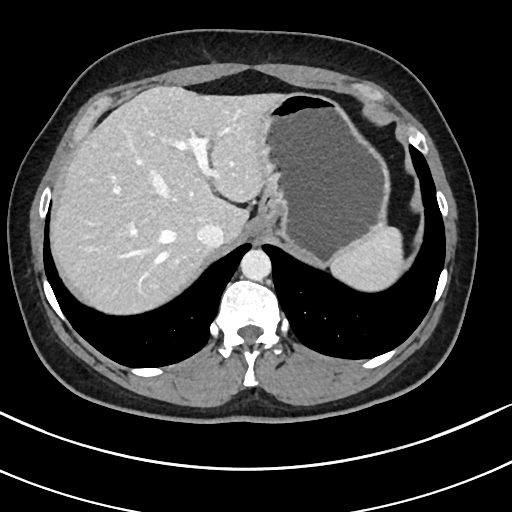 CT abdomen. axial view. soft-tissue window. 512x512 px. 15 organs annotated in this scan (that count is for the whole scan; organs this slice misses have no box)
<organs><organ name="spleen" x1="328" y1="226" x2="402" y2="290"/><organ name="liver" x1="49" y1="86" x2="280" y2="313"/><organ name="stomach" x1="254" y1="91" x2="389" y2="266"/><organ name="aorta" x1="240" y1="249" x2="271" y2="280"/><organ name="inferior vena cava" x1="196" y1="223" x2="225" y2="249"/></organs>